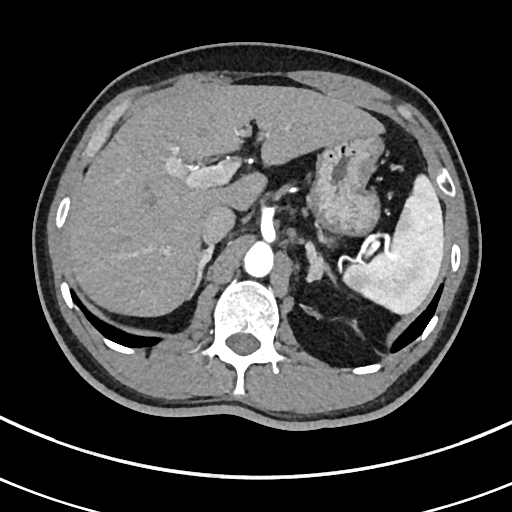
CT abdomen. axial view. W/L 400/40 HU. 512x512 px
{"organs":{"right adrenal gland":[190,246,214,297],"aorta":[243,243,274,277],"spleen":[340,174,443,314],"left adrenal gland":[305,243,334,286],"liver":[65,84,385,316],"inferior vena cava":[201,206,235,244],"stomach":[307,136,382,236]}}